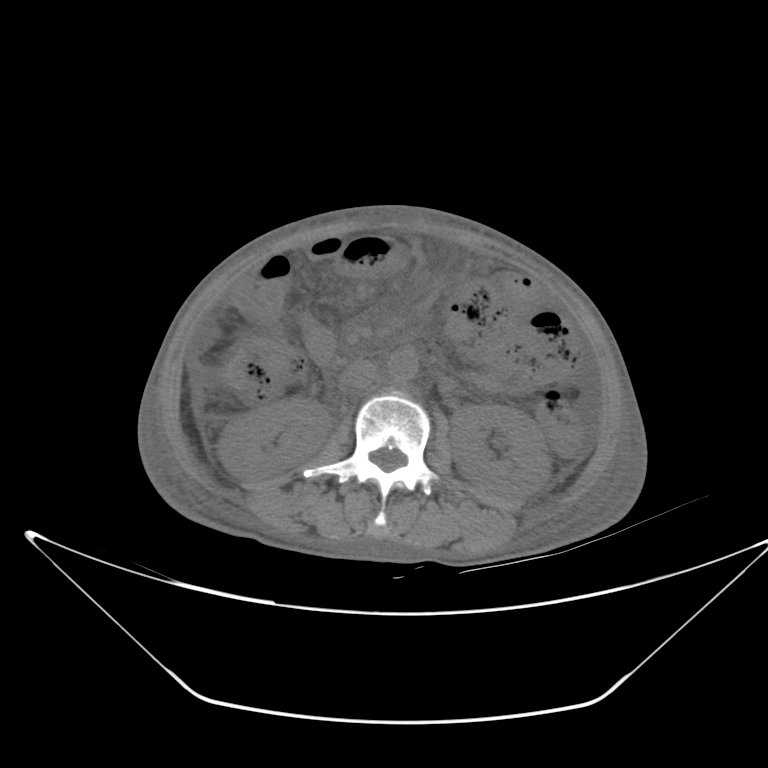
Abdominal CT; axial view; W/L 400/40 HU
One row per box, in pixels: columns x1 and y1 give the top-left corner, x2 and y2 the bottom-right.
| organ | x1 | y1 | x2 | y2 |
|---|---|---|---|---|
| left kidney | 451 | 405 | 550 | 502 |
| aorta | 388 | 349 | 418 | 381 |
| inferior vena cava | 342 | 359 | 378 | 390 |
| duodenum | 307 | 326 | 336 | 364 |
| right kidney | 218 | 398 | 330 | 481 |